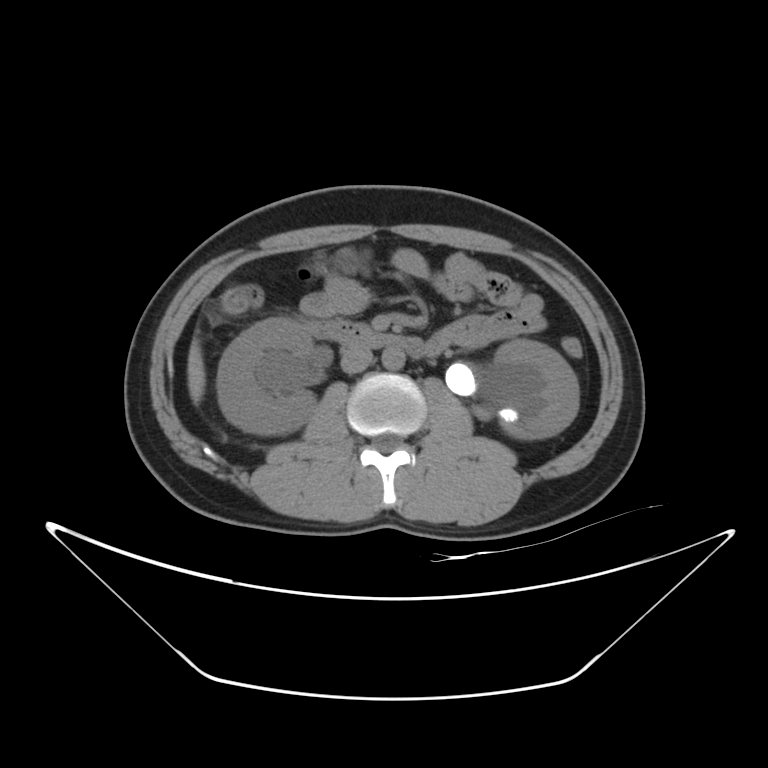
Computed tomography, abdomen · axial view · 25-year-old male patient · 15 organs annotated in this scan (that count is for the whole scan; organs this slice misses have no box)
{"organs":{"aorta":[382,347,404,369],"inferior vena cava":[341,347,372,373],"duodenum":[305,318,429,358],"liver":[187,338,206,404],"left kidney":[492,339,579,439],"right kidney":[217,318,315,434]}}